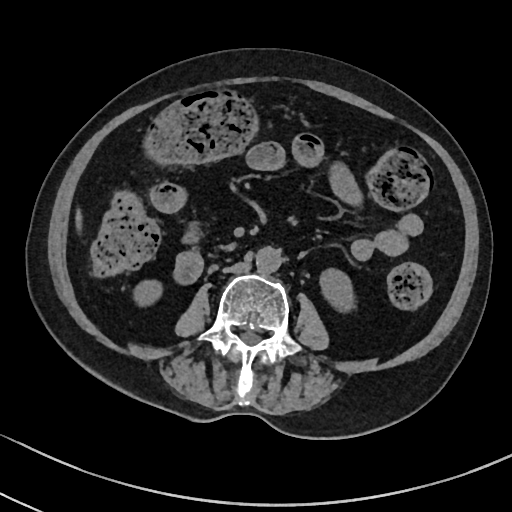 Abdominal CT. axial plane, index 115. 512x512 px
<organs><organ name="inferior vena cava" x1="222" y1="261" x2="250" y2="273"/><organ name="aorta" x1="256" y1="246" x2="281" y2="273"/><organ name="liver" x1="75" y1="210" x2="81" y2="229"/><organ name="left kidney" x1="319" y1="268" x2="353" y2="312"/><organ name="right kidney" x1="133" y1="279" x2="162" y2="307"/></organs>